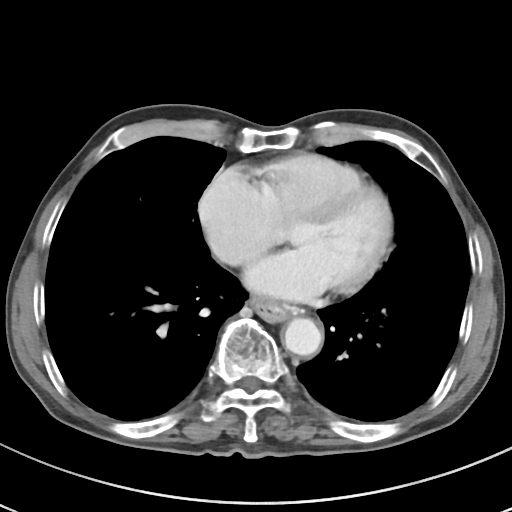
CT of the abdomen reaching into the lower chest, slice just above the liver and spleen · Axial slice 83/122 · 15 organs annotated in this scan (counted over the whole 3D scan, not this slice; an organ is boxed only where this slice passes through it)
Of the structures in the chest, this dataset labels only the esophagus, the aorta and the inferior vena cava; the heart and lungs have no label.
Each box given as x1,y1,x2,y2.
aorta: x1=284, y1=318, x2=322, y2=356
esophagus: x1=250, y1=298, x2=297, y2=322